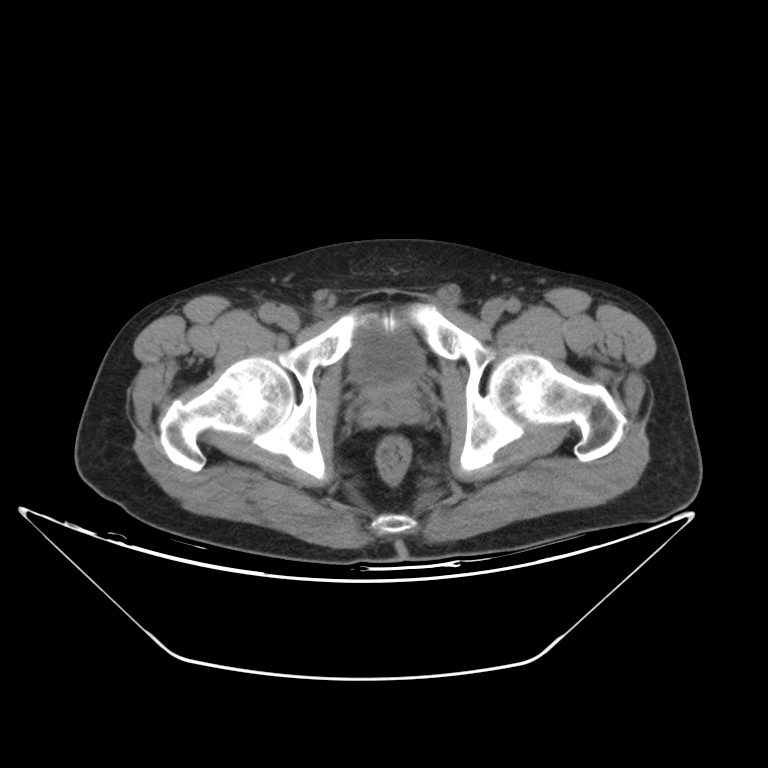 Computed tomography, abdomen — Axial slice 23/101 — 768x768 px — 71-year-old male patient — scan has 15 labeled organs (that count is for the whole scan; organs this slice misses have no box)
{"organs":{"bladder":[350,324,423,387],"prostate/uterus":[360,385,419,408]}}